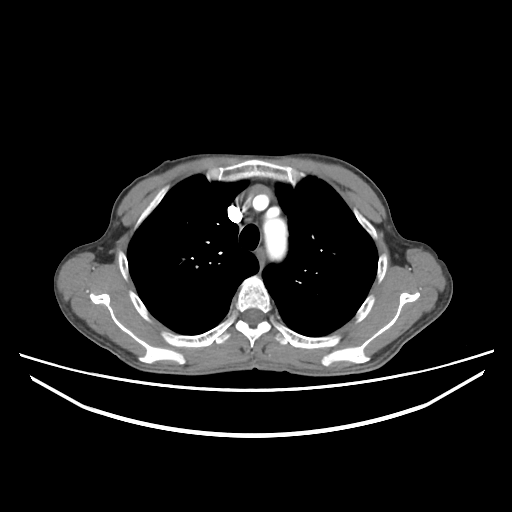

Abdominal CT reaching into the chest; this slice is in the chest; axial plane, index 104; 512x512 px; 50-year-old male patient; Aquilion ONE scanner
At this level of the chest this dataset labels only the esophagus and the aorta, and each is boxed only where it is labeled; the heart and lungs are never labeled.
{"organs":{"esophagus":[257,249,264,270],"aorta":[264,217,287,259]}}